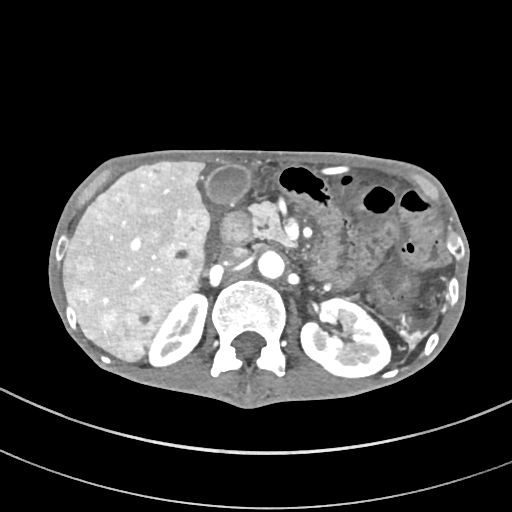
Abdominal CT; axial view; soft-tissue window; acquired on SOMATOM Force
<organs><organ name="pancreas" x1="249" y1="201" x2="293" y2="247"/><organ name="inferior vena cava" x1="222" y1="247" x2="248" y2="267"/><organ name="right kidney" x1="148" y1="294" x2="207" y2="365"/><organ name="left kidney" x1="301" y1="297" x2="389" y2="377"/><organ name="aorta" x1="257" y1="251" x2="285" y2="280"/><organ name="gall bladder" x1="203" y1="164" x2="251" y2="206"/><organ name="liver" x1="63" y1="159" x2="210" y2="361"/><organ name="duodenum" x1="220" y1="211" x2="252" y2="244"/></organs>